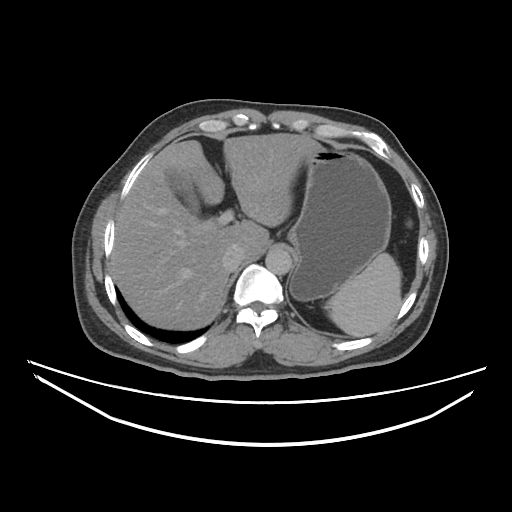 Computed tomography, abdomen — axial view — W/L 400/40 HU
Each box given as x1,y1,x2,y2.
spleen: x1=325, y1=253, x2=403, y2=337
gall bladder: x1=168, y1=173, x2=199, y2=218
liver: x1=110, y1=132, x2=322, y2=330
stomach: x1=286, y1=145, x2=390, y2=301
aorta: x1=265, y1=249, x2=292, y2=275
inferior vena cava: x1=221, y1=247, x2=241, y2=270